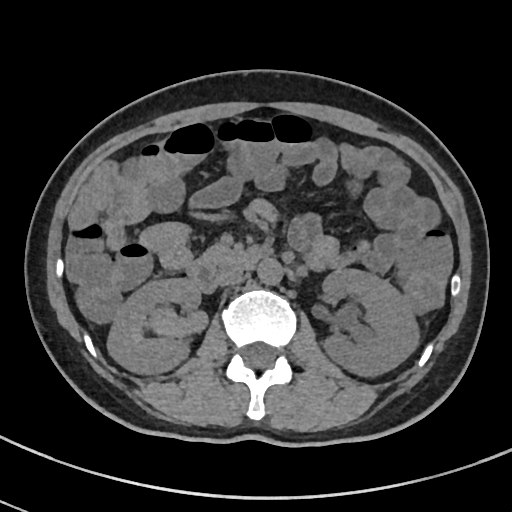 CT, abdomen/pelvis — axial plane, index 144 — soft-tissue window
<organs><organ name="left kidney" x1="322" y1="269" x2="419" y2="376"/><organ name="inferior vena cava" x1="218" y1="267" x2="244" y2="285"/><organ name="aorta" x1="257" y1="258" x2="282" y2="284"/><organ name="pancreas" x1="202" y1="245" x2="245" y2="270"/><organ name="duodenum" x1="187" y1="249" x2="264" y2="292"/><organ name="right kidney" x1="107" y1="278" x2="200" y2="373"/></organs>